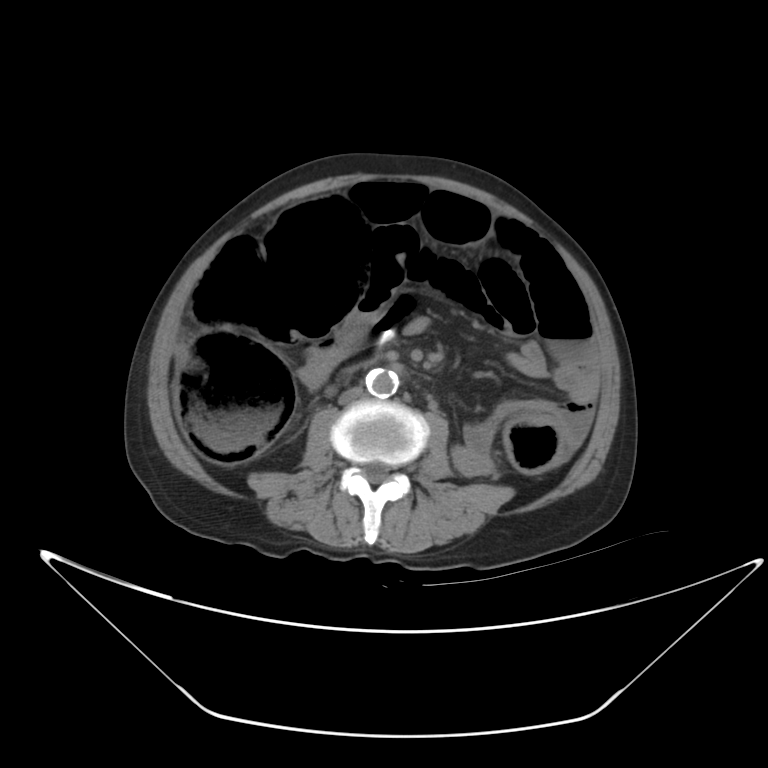 Abdominal CT — axial view — 768x768 px — 64-year-old male patient
<organs><organ name="aorta" x1="365" y1="368" x2="398" y2="397"/><organ name="inferior vena cava" x1="338" y1="386" x2="363" y2="404"/></organs>